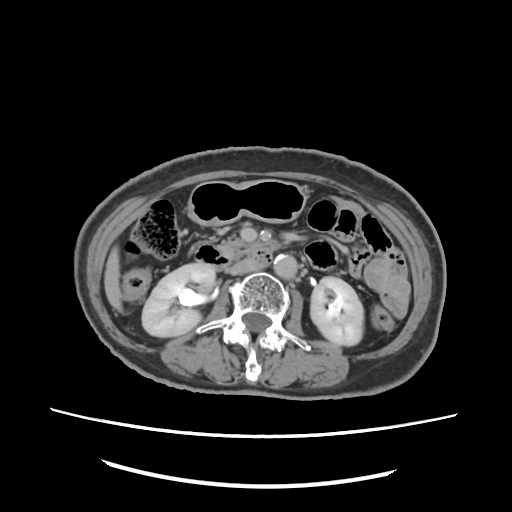 CT, abdomen/pelvis. axial view. 512x512 px. 76-year-old female patient. acquired on Aquilion ONE
Boxes: x1:y1:x2:y2 in pixels.
Organ bounding boxes:
- right kidney: 141:264:215:337
- left kidney: 310:277:363:345
- liver: 103:246:121:310
- stomach: 185:182:304:224
- aorta: 274:254:298:277
- inferior vena cava: 230:258:267:274
- pancreas: 222:238:280:259
- duodenum: 193:242:273:268